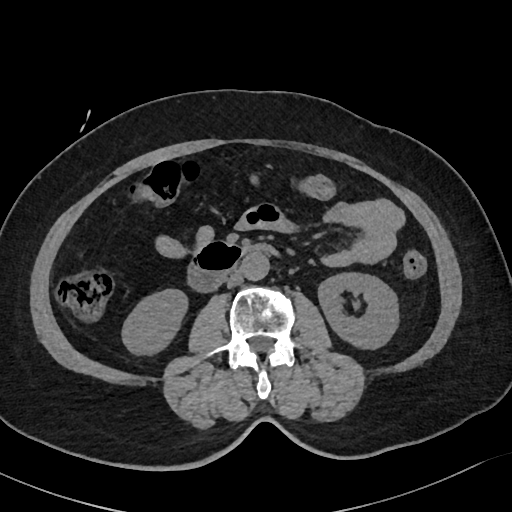 CT abdomen — axial view — 512x512 px
Box edges are left/top/right/bottom in pixels.
right kidney: left=121, top=289, right=188, bottom=356
inferior vena cava: left=225, top=271, right=243, bottom=287
left kidney: left=318, top=273, right=398, bottom=350
duodenum: left=187, top=242, right=281, bottom=293
aorta: left=241, top=254, right=269, bottom=281